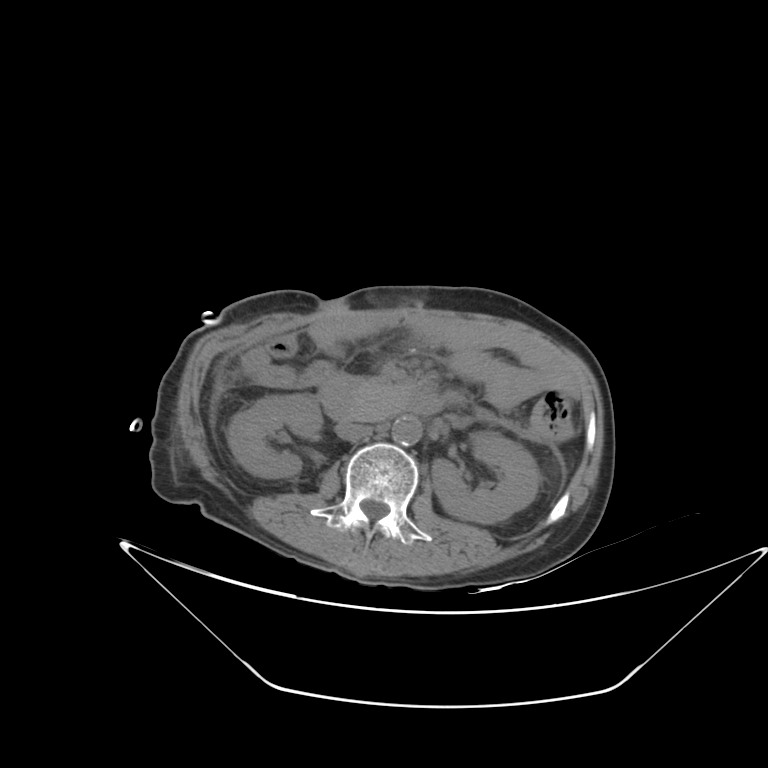
CT abdomen · axial view · soft-tissue window
{"organs":{"right kidney":[228,394,322,477],"inferior vena cava":[336,423,371,441],"duodenum":[320,387,445,421],"aorta":[392,416,422,445],"pancreas":[342,378,411,418],"left kidney":[431,432,539,523]}}